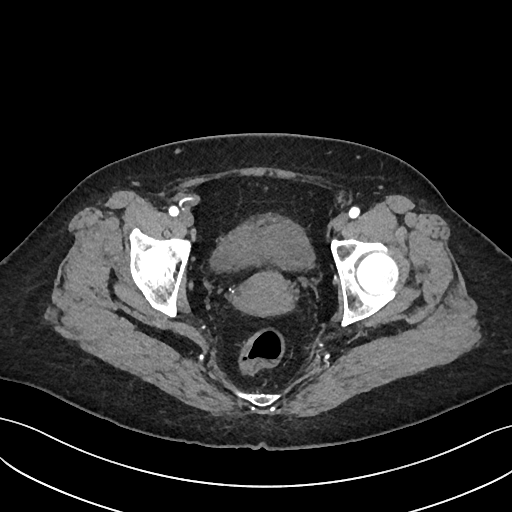 Abdominal CT · axial view · W/L 400/40 HU · 512x512 px
Boxes: x1 y1 x2 y2 (pixel coords, space-separated). The annotated organs in this slice are: bladder at 210 216 314 271, prostate/uterus at 234 270 293 315.